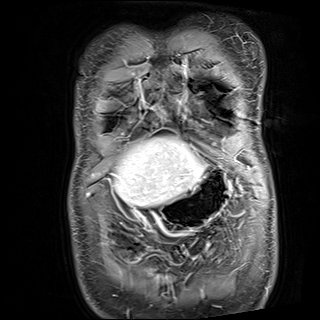 Magnetic resonance imaging, abdomen — Coronal slice 56/60 — percentile-normalized
Boxes are (x1, y1, x2, y2) in pixels.
Organ bounding boxes:
- liver: (114, 136, 204, 206)
- stomach: (159, 167, 232, 230)